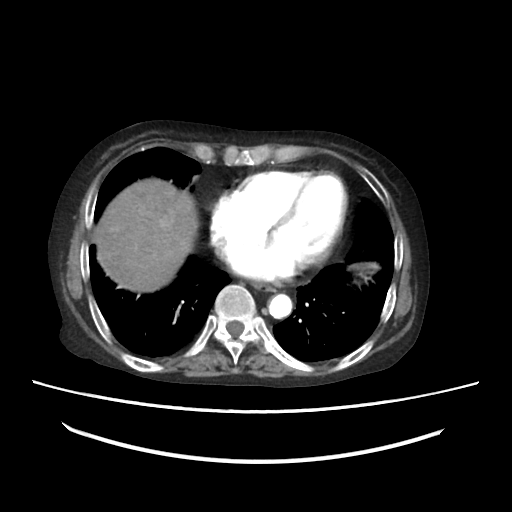
CT abdomen — axial plane, index 83 — W/L 400/40 HU — Aquilion ONE scanner
Boxes: x1:y1:x2:y2 in pixels.
esophagus: 253:281:275:291
liver: 92:179:198:293
aorta: 268:294:292:318
inferior vena cava: 214:237:233:260